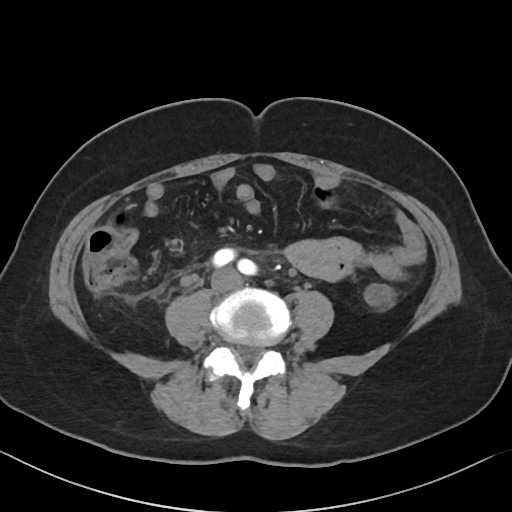
Abdominal CT — axial view
Organ boxes in pixel coordinates; each row gives the top-left (x1, y1) and bottom-right (x2, y2) corners.
| organ | x1 | y1 | x2 | y2 |
|---|---|---|---|---|
| inferior vena cava | 212 | 269 | 241 | 290 |